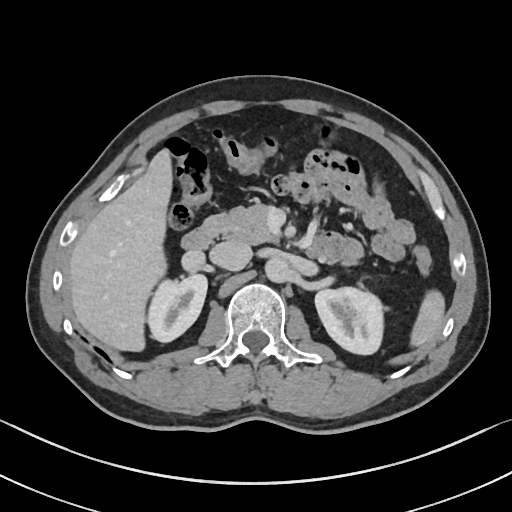 Abdominal CT; axial view; soft-tissue window
Boxes are (x1, y1, x2, y2) in pixels.
Organ bounding boxes:
- spleen: (410, 291, 443, 347)
- right kidney: (145, 273, 207, 342)
- left kidney: (314, 286, 383, 354)
- liver: (70, 148, 173, 350)
- aorta: (264, 255, 289, 281)
- inferior vena cava: (211, 240, 251, 271)
- pancreas: (203, 203, 277, 244)
- duodenum: (180, 225, 324, 256)